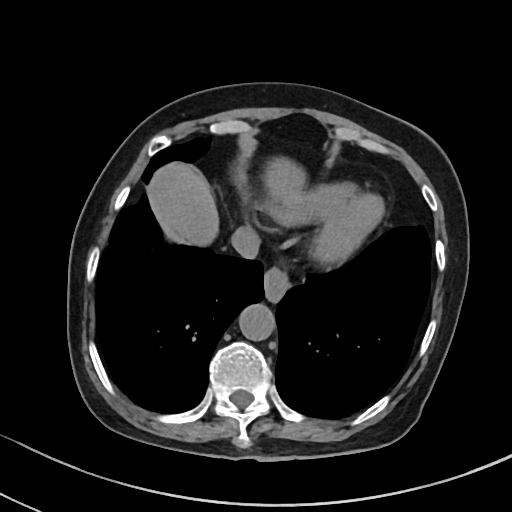

Abdominal CT. axial view. 512x512 px
Bounding boxes as [x1, y1, x2, y2] in pixel coordinates. 4 labeled organs on this slice — esophagus at [263, 268, 290, 302]; liver at [148, 157, 304, 245]; aorta at [239, 304, 275, 341]; inferior vena cava at [230, 226, 259, 259].